CT, abdomen/pelvis. axial plane, index 24. abdomen soft-tissue window
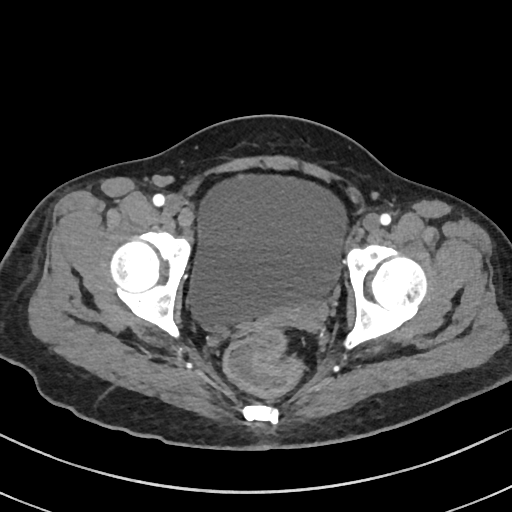 Each box given as x1,y1,x2,y2. Labeled organs on this slice: bladder at x1=188, y1=174, x2=346, y2=328, prostate/uterus at x1=279, y1=301, x2=327, y2=329.